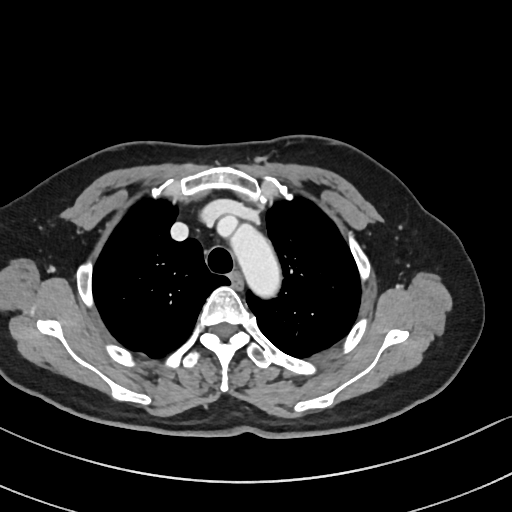 CT of the abdomen extending into the chest, slice through the chest — axial view — soft-tissue window, W/L 400/40 — 512x512 px
On a slice this high in the chest, this dataset labels only the esophagus and the aorta, and each is boxed only where it is labeled; the heart, lungs and other chest structures are not labeled.
<organs><organ name="esophagus" x1="231" y1="274" x2="241" y2="287"/><organ name="aorta" x1="227" y1="221" x2="282" y2="300"/></organs>